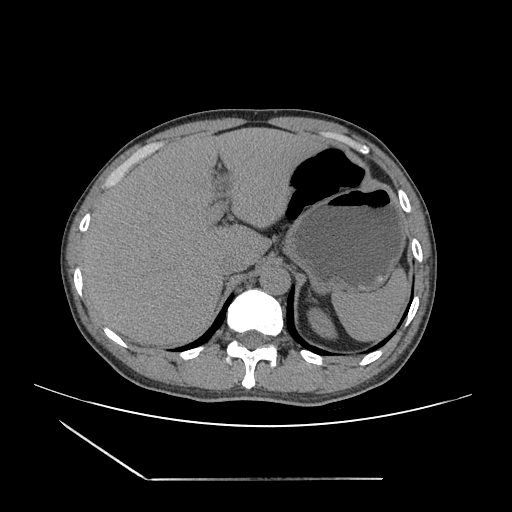

CT abdomen · axial view · acquired on SOMATOM Force
Organ boxes in pixel coordinates; each row gives the top-left (x1, y1) and bottom-right (x2, y2) corners.
| organ | x1 | y1 | x2 | y2 |
|---|---|---|---|---|
| left kidney | 308 | 306 | 334 | 339 |
| liver | 80 | 127 | 322 | 346 |
| stomach | 286 | 182 | 405 | 292 |
| left adrenal gland | 308 | 287 | 313 | 299 |
| inferior vena cava | 217 | 253 | 248 | 276 |
| spleen | 331 | 266 | 409 | 342 |
| aorta | 259 | 266 | 290 | 294 |